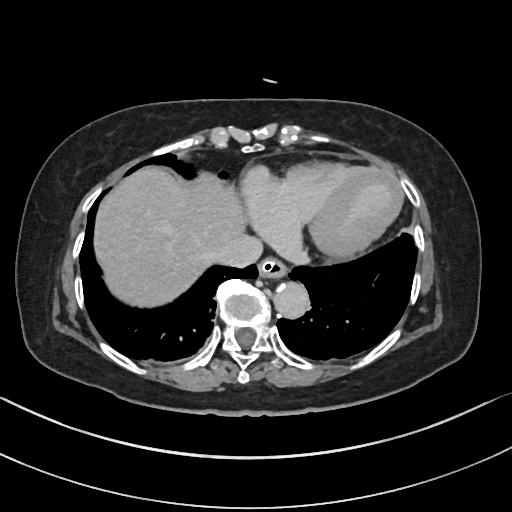

CT, abdomen/pelvis — axial view — soft-tissue window (W 400 / L 40)
<organs><organ name="esophagus" x1="258" y1="257" x2="287" y2="278"/><organ name="liver" x1="94" y1="167" x2="245" y2="307"/><organ name="aorta" x1="273" y1="281" x2="309" y2="318"/><organ name="inferior vena cava" x1="214" y1="233" x2="262" y2="267"/></organs>